CT, abdomen/pelvis. axial view. abdomen soft-tissue window
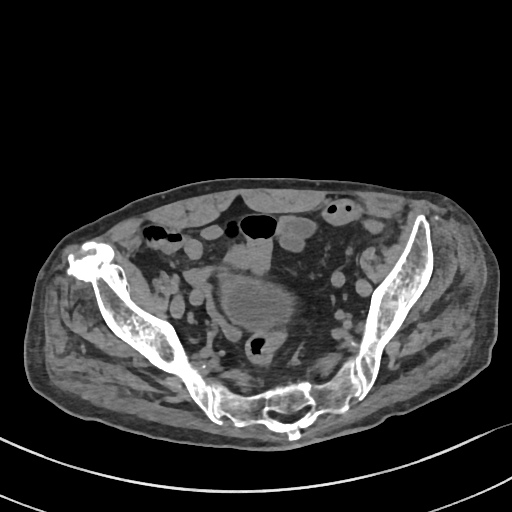

Boxes: x1 y1 x2 y2 (pixel coords, space-separated).
Organ bounding boxes:
- bladder: 220 273 290 327